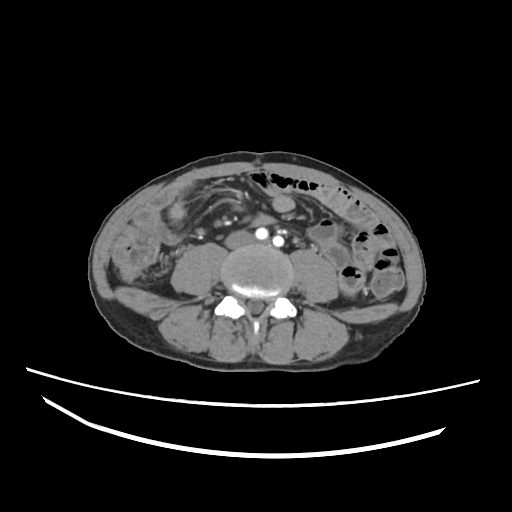 CT abdomen; axial plane, index 52; 40-year-old male patient; scan has 15 labeled organs (counted over the whole 3D scan, not this slice; an organ is boxed only where this slice passes through it)
Boxes: x1 y1 x2 y2 (pixel coords, space-separated).
inferior vena cava: 226 230 253 248